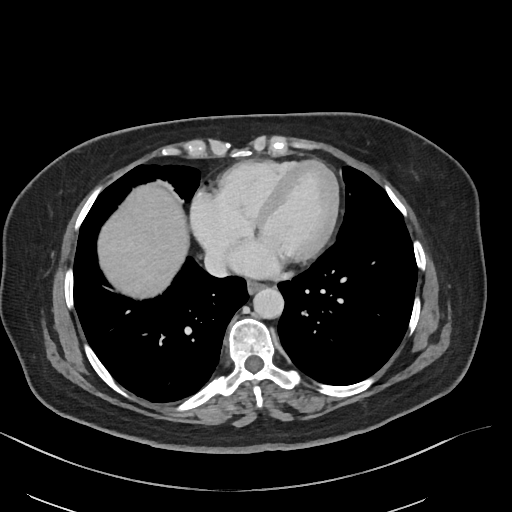
CT, abdomen/pelvis; Axial slice 223/244; SOMATOM Force scanner
Coordinates as <box>x1,y1,x2,y2</box> in pixels.
Organ bounding boxes:
- esophagus: <box>247,282,264,293</box>
- liver: <box>98,184,188,298</box>
- aorta: <box>253,288,284,318</box>
- inferior vena cava: <box>204,251,226,276</box>